Abdominal CT reaching into the chest; this slice is in the chest. axial view
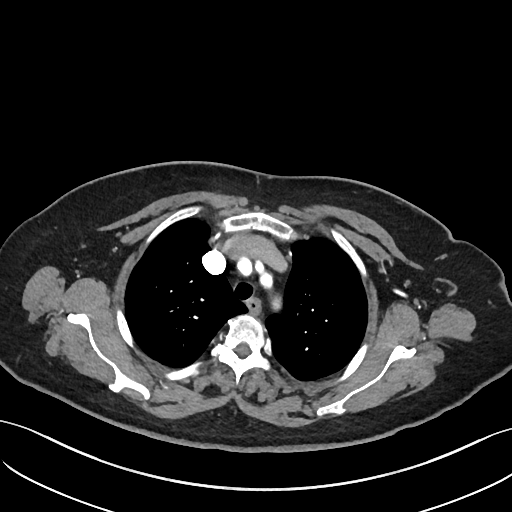 At this level of the chest this dataset labels only the esophagus and the aorta, and each is boxed only where it is labeled; the heart and lungs are never labeled.
Coordinates as <box>x1,y1,x2,y2</box> in pixels.
esophagus: <box>247,299,259,313</box>